Abdominal CT reaching into the chest; this slice is in the chest; axial view; 512x512 px; scan has 15 labeled organs (that count is for the whole scan; organs this slice misses have no box)
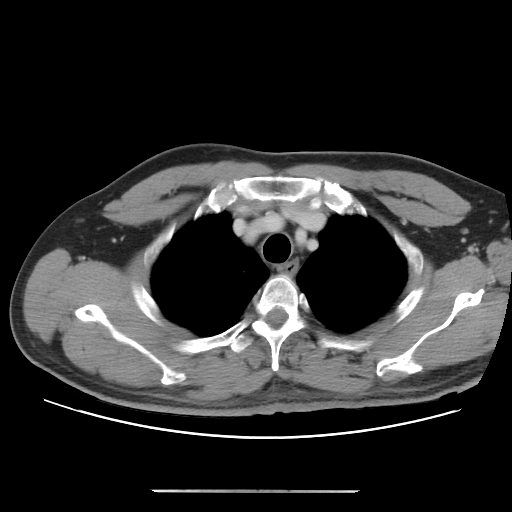 At this level of the chest this dataset labels only the esophagus and the aorta, and each is boxed only where it is labeled; the heart and lungs are never labeled.
Boxes: x1 y1 x2 y2 (pixel coords, space-separated).
Organ bounding boxes:
- esophagus: 279 262 297 273